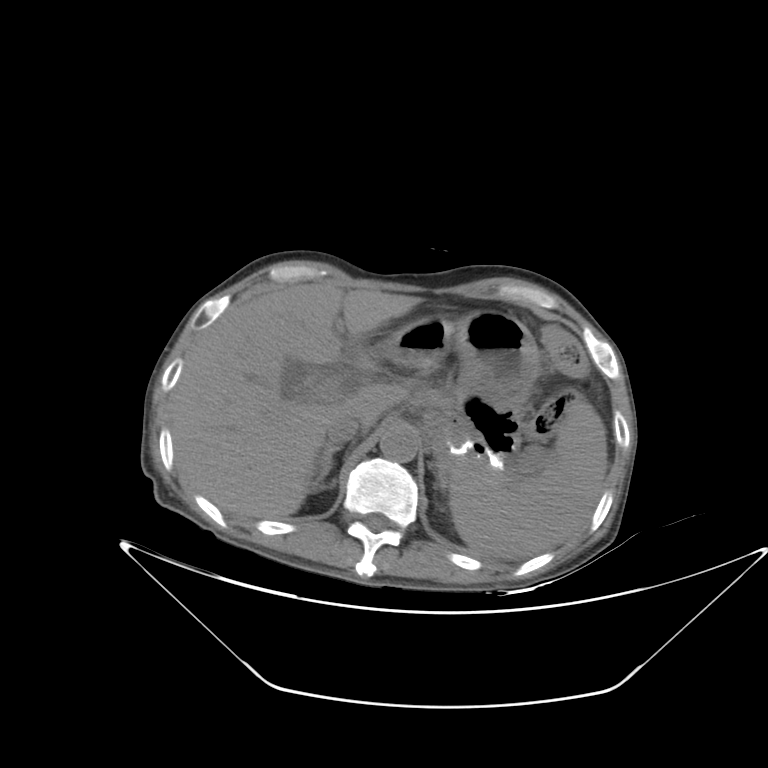
Computed tomography, abdomen; axial plane, index 76; 768x768 px
Box edges are left/top/right/bottom in pixels.
spleen: left=449, top=399, right=607, bottom=558
liver: left=168, top=282, right=422, bottom=518
stomach: left=378, top=310, right=539, bottom=461
aorta: left=380, top=428, right=418, bottom=462
inferior vena cava: left=327, top=415, right=360, bottom=443
right adrenal gland: left=312, top=444, right=343, bottom=491